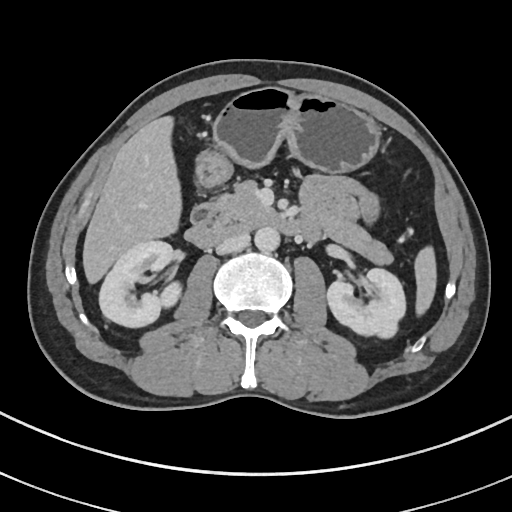

Computed tomography, abdomen. Axial slice 120/298. 512x512 px. 15 organs annotated in this scan (that count is for the whole scan; organs this slice misses have no box)
Boxes: x1:y1:x2:y2 in pixels.
spleen: 416:247:434:313
right kidney: 98:240:181:326
left kidney: 328:267:406:338
liver: 83:117:180:281
stomach: 197:87:378:188
aorta: 255:227:280:251
inferior vena cava: 216:232:250:254
pancreas: 213:185:391:262
duodenum: 184:202:320:247